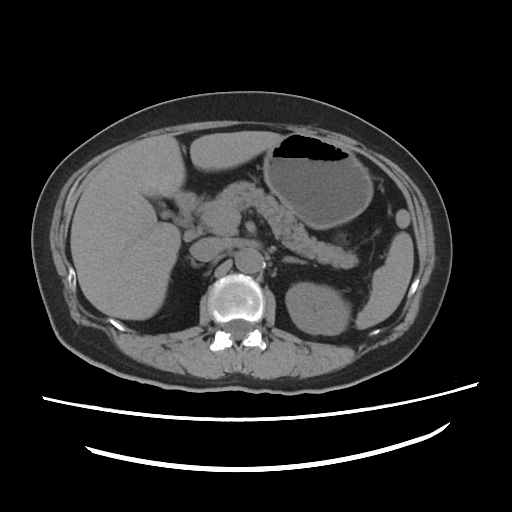
CT, abdomen/pelvis; Axial slice 64/88; 512x512 px
Boxes: x1 y1 x2 y2 (pixel coords, space-separated).
spleen: 355 232 413 329
left kidney: 286 282 350 335
gall bladder: 160 210 170 217
liver: 70 131 283 320
stomach: 263 133 373 229
aorta: 235 248 262 273
inferior vena cava: 190 237 225 261
pancreas: 199 181 358 268
right adrenal gland: 190 259 199 267
left adrenal gland: 283 256 306 263
duodenum: 175 192 198 226